CT of the abdomen reaching into the lower chest, slice just above the liver and spleen. axial plane, index 201. soft-tissue window, W/L 400/40
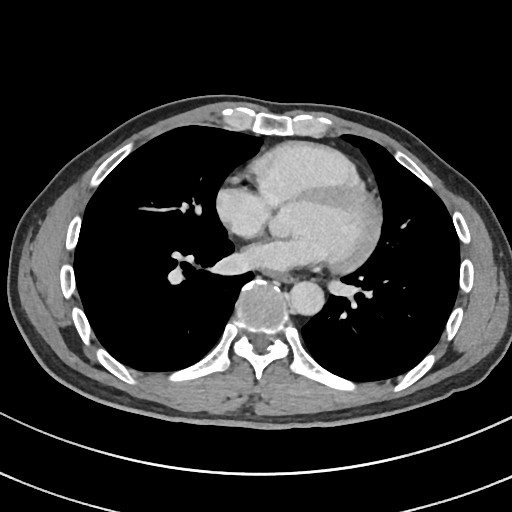 No part of the heart or lungs is labeled in this dataset, so neither has a box here.
Bounding boxes in pixels, one row per box: x1, y1 is the top-left corner and x2, y2 the bottom-right.
| organ | x1 | y1 | x2 | y2 |
|---|---|---|---|---|
| esophagus | 268 | 272 | 292 | 282 |
| aorta | 289 | 281 | 324 | 315 |